Lower-chest slice from an abdominal CT, just above the liver and spleen · axial view · soft-tissue window (W 400 / L 40) · 512x512 px
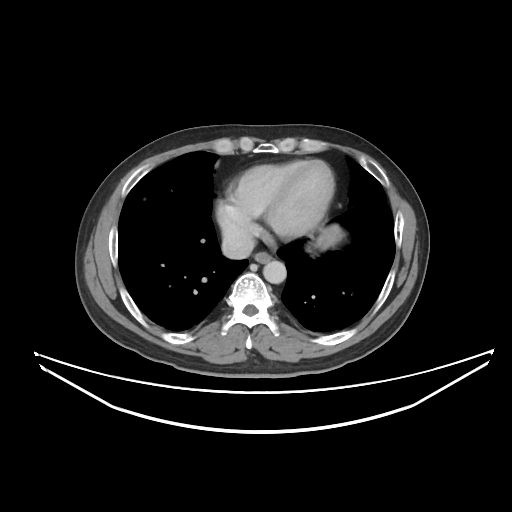
Of the structures in the chest, this dataset labels only the esophagus, the aorta and the inferior vena cava; the heart and lungs have no label.
Boxes are (x1, y1, x2, y2) in pixels.
Organ bounding boxes:
- aorta: (263, 260, 286, 283)
- esophagus: (254, 252, 271, 263)
- inferior vena cava: (222, 231, 254, 259)